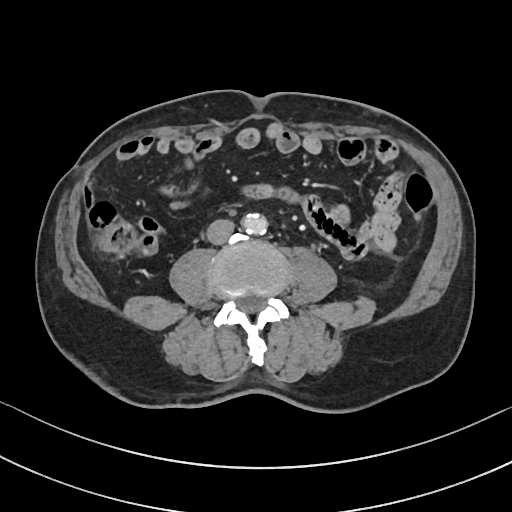 CT, abdomen/pelvis — Axial slice 118/221
Boxes are (x1, y1, x2, y2) in pixels.
aorta: (241, 213, 268, 233)
inferior vena cava: (207, 218, 234, 244)